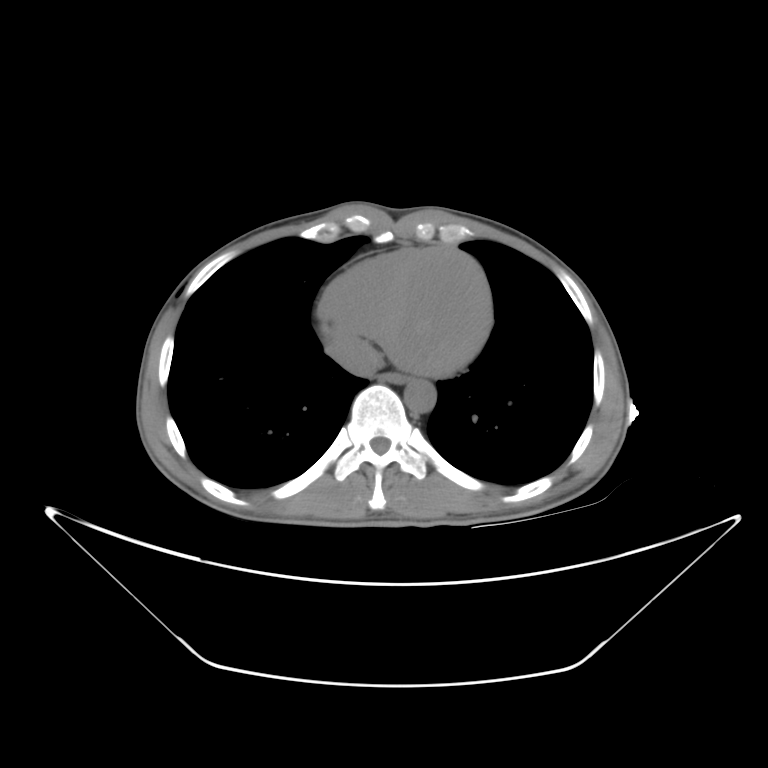

Lower-chest slice from an abdominal CT, just above the liver and spleen — axial view — 33-year-old male patient
The heart and lungs are never labeled in this dataset, so they have no box on this slice.
<organs><organ name="inferior vena cava" x1="326" y1="338" x2="379" y2="380"/><organ name="aorta" x1="404" y1="380" x2="437" y2="414"/><organ name="esophagus" x1="375" y1="372" x2="412" y2="381"/></organs>